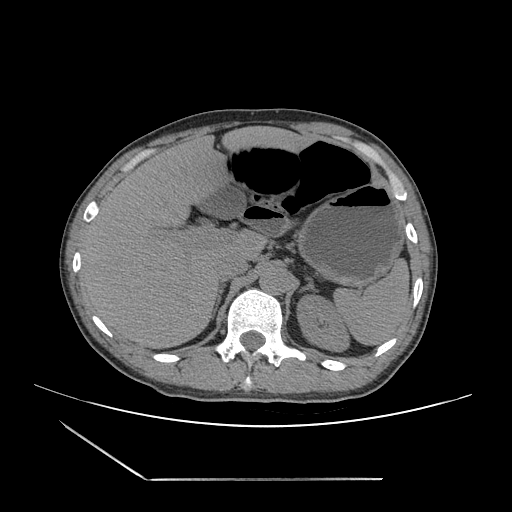

CT abdomen — axial view
Coordinates as <box>x1,y1,x2,y2</box> in pixels.
Organ bounding boxes:
- gall bladder: <box>196,185,245,219</box>
- liver: <box>82,126,312,348</box>
- spleen: <box>334,257,409,345</box>
- stomach: <box>300,184,403,284</box>
- left adrenal gland: <box>299,276,316,292</box>
- aorta: <box>259,267,288,294</box>
- left kidney: <box>296,294,350,352</box>
- duodenum: <box>240,207,287,234</box>
- inferior vena cava: <box>214,255,247,280</box>
- right adrenal gland: <box>211,285,225,320</box>